Abdominal CT; axial view; W/L 400/40 HU; 25-year-old male patient
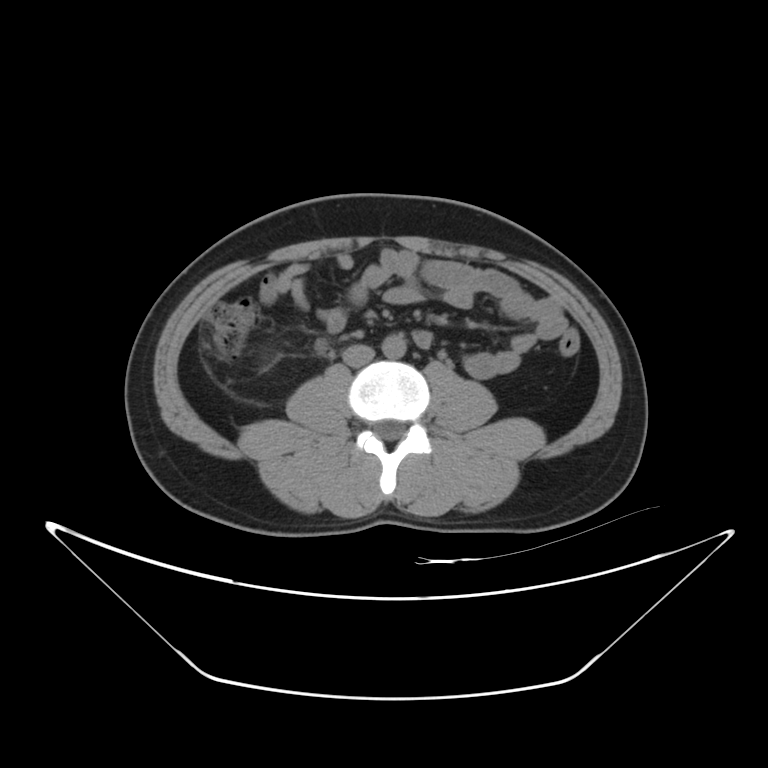 Boxes: x1 y1 x2 y2 (pixel coords, space-separated).
Organ bounding boxes:
- aorta: 382 334 406 358
- inferior vena cava: 342 345 375 367